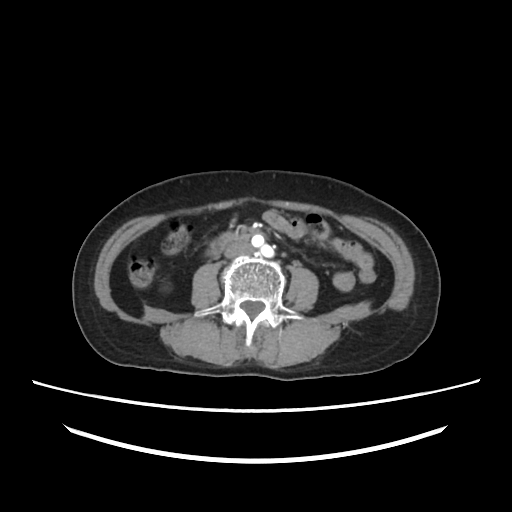 Abdominal CT — axial plane, index 49 — 512x512 px — 15 organs annotated in this scan (counted over the whole 3D scan, not this slice; an organ is boxed only where this slice passes through it)
Bounding boxes in pixels, one row per box: x1, y1 is the top-left corner and x2, y2 the bottom-right.
| organ | x1 | y1 | x2 | y2 |
|---|---|---|---|---|
| inferior vena cava | 224 | 241 | 251 | 258 |
| duodenum | 209 | 233 | 237 | 255 |